CT, abdomen/pelvis; Axial slice 72/91; soft-tissue window (W 400 / L 40); acquired on Aquilion ONE
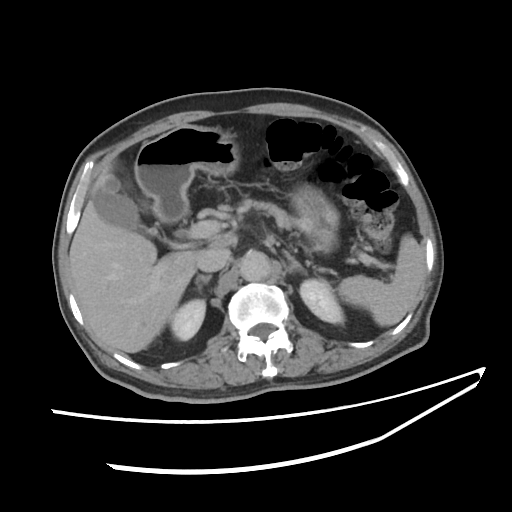 <organs><organ name="stomach" x1="134" y1="125" x2="337" y2="253"/><organ name="inferior vena cava" x1="197" y1="246" x2="231" y2="272"/><organ name="aorta" x1="239" y1="250" x2="271" y2="281"/><organ name="spleen" x1="337" y1="234" x2="424" y2="325"/><organ name="gall bladder" x1="94" y1="176" x2="148" y2="235"/><organ name="right adrenal gland" x1="195" y1="275" x2="211" y2="289"/><organ name="right kidney" x1="170" y1="300" x2="206" y2="341"/><organ name="liver" x1="69" y1="195" x2="202" y2="352"/><organ name="left kidney" x1="299" y1="278" x2="344" y2="323"/><organ name="left adrenal gland" x1="285" y1="252" x2="307" y2="274"/><organ name="pancreas" x1="233" y1="196" x2="296" y2="235"/></organs>